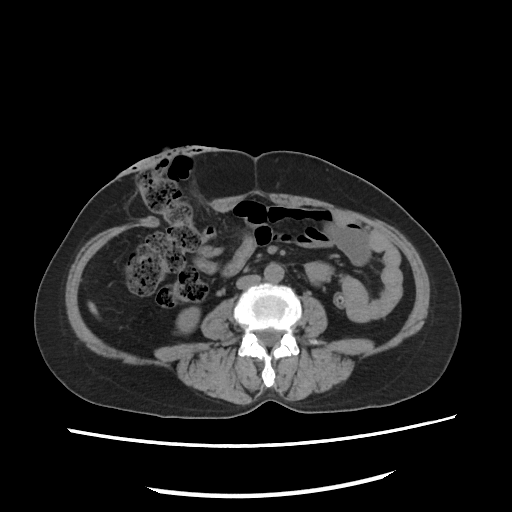 CT, abdomen/pelvis; axial view; soft-tissue window; 512x512 px; acquired on Aquilion ONE
Bounding boxes in pixels, one row per box: x1, y1 is the top-left corner and x2, y2 the bottom-right.
| organ | x1 | y1 | x2 | y2 |
|---|---|---|---|---|
| right kidney | 176 | 307 | 198 | 333 |
| liver | 88 | 307 | 100 | 320 |
| aorta | 264 | 263 | 284 | 282 |
| inferior vena cava | 235 | 274 | 260 | 289 |